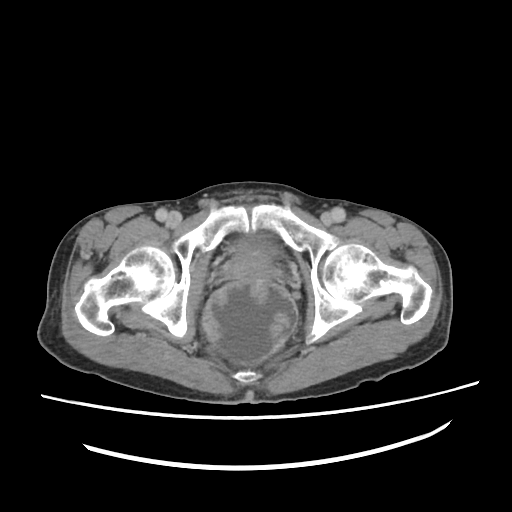

Abdominal CT — axial view — acquired on Aquilion ONE
<organs><organ name="prostate/uterus" x1="228" y1="249" x2="271" y2="280"/></organs>